Abdominal CT; Axial slice 49/99; 768x768 px
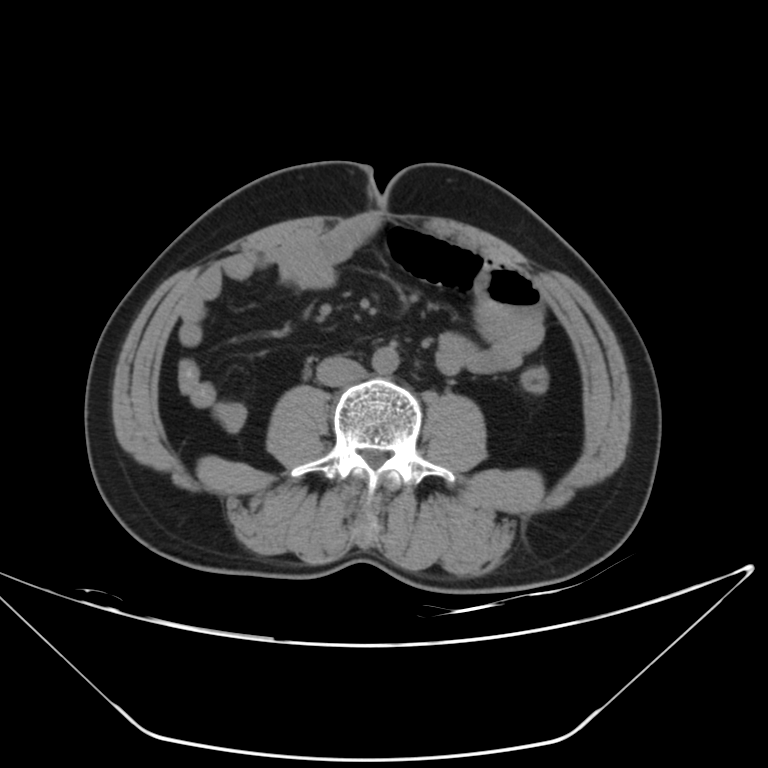

Coordinates as <box>x1,y1,x2,y2</box> in pixels.
Organ bounding boxes:
- aorta: <box>372,347,398,374</box>
- inferior vena cava: <box>316,356,365,386</box>